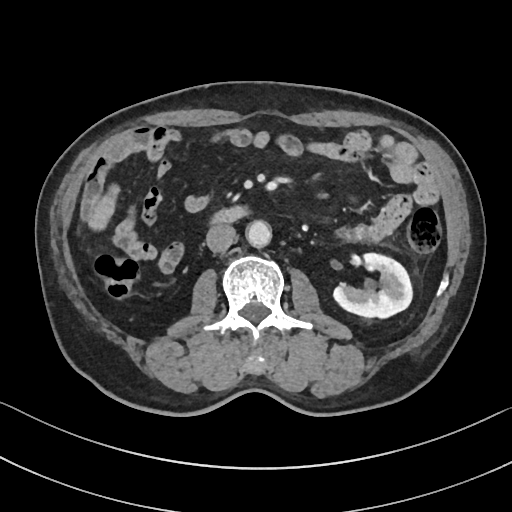

CT, abdomen/pelvis — axial plane, index 141 — W/L 400/40 HU
Bounding boxes in pixels, one row per box: x1, y1 is the top-left corner and x2, y2 the bottom-right.
| organ | x1 | y1 | x2 | y2 |
|---|---|---|---|---|
| left kidney | 333 | 253 | 412 | 318 |
| aorta | 246 | 220 | 271 | 247 |
| inferior vena cava | 206 | 224 | 235 | 252 |
| duodenum | 211 | 206 | 248 | 224 |